Magnetic resonance imaging, abdomen; Axial slice 36/72; percentile-normalized; 576x468 px; 13 organs annotated in this scan (a whole-scan count: organs this slice does not pass through have no box)
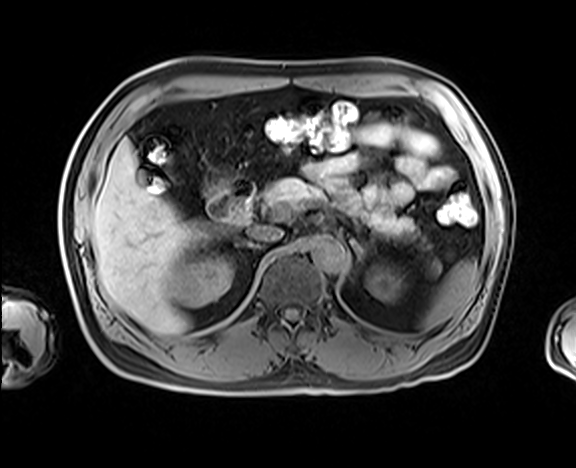
Boxes are (x1, y1, x2, y2) in pixels. 11 labeled organs on this slice — left kidney at (366, 266, 401, 301); stomach at (203, 170, 232, 197); liver at (92, 139, 207, 333); inferior vena cava at (248, 225, 283, 241); pancreas at (264, 178, 416, 237); right adrenal gland at (236, 239, 257, 247); right kidney at (171, 257, 231, 307); spleen at (421, 259, 478, 329); aorta at (311, 237, 348, 271); duodenum at (207, 179, 254, 222); left adrenal gland at (353, 241, 364, 262).